Abdominal CT · axial view
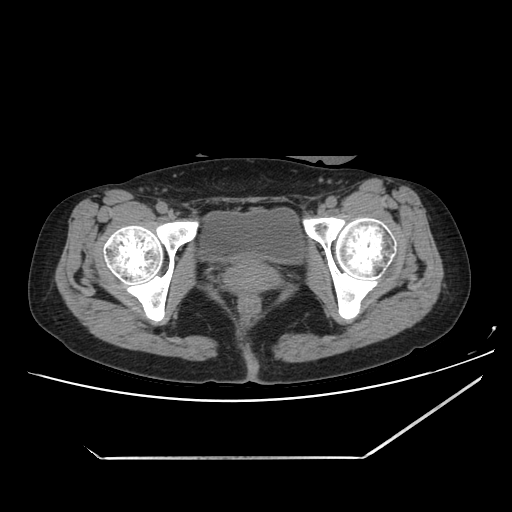 {"organs":{"bladder":[197,208,305,262],"prostate/uterus":[224,258,277,290]}}